CT abdomen — Axial slice 129/306
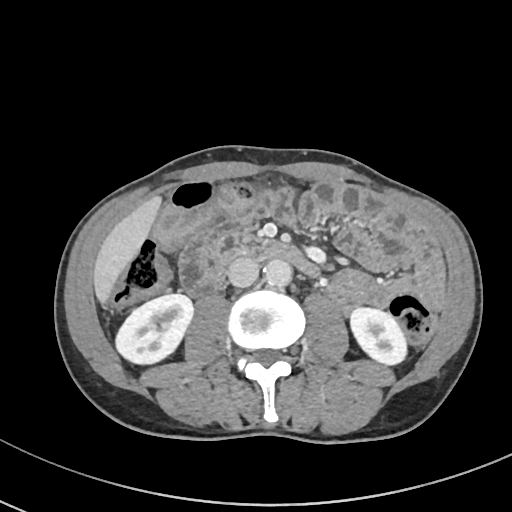
Each box given as x1,y1,x2,y2. The annotated organs in this slice are: right kidney at x1=114, y1=294, x2=194, y2=366, left kidney at x1=349, y1=306, x2=408, y2=366, liver at x1=92, y1=195, x2=162, y2=306, duodenum at x1=211, y1=231, x2=321, y2=278, inferior vena cava at x1=227, y1=258, x2=258, y2=287, aorta at x1=264, y1=260, x2=292, y2=286.